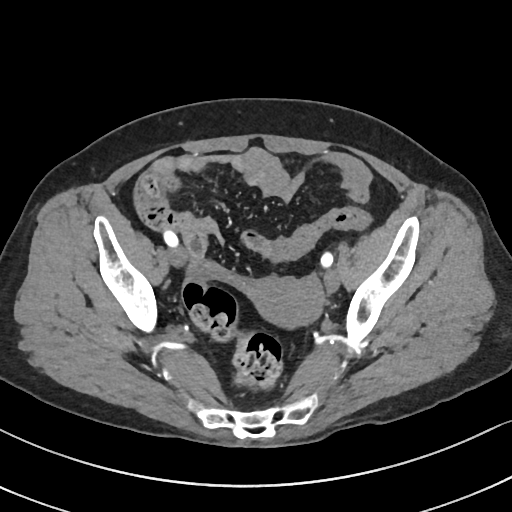
CT abdomen; axial view; abdomen soft-tissue window; 512x512 px
Organ boxes in pixel coordinates; each row gives the top-left (x1, y1) and bottom-right (x2, y2) corners.
| organ | x1 | y1 | x2 | y2 |
|---|---|---|---|---|
| prostate/uterus | 246 | 276 | 324 | 330 |